Abdominal CT. axial view. soft-tissue window (W 400 / L 40). scan has 15 labeled organs (a whole-scan count: organs this slice does not pass through have no box)
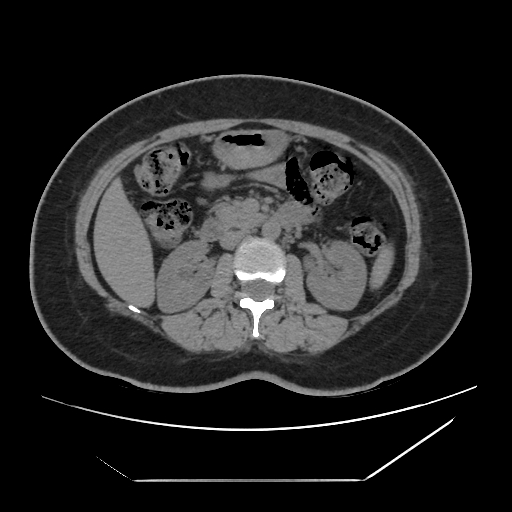 One row per box, in pixels: columns x1 and y1 give the top-left corner, x2 and y2 the bottom-right.
| organ | x1 | y1 | x2 | y2 |
|---|---|---|---|---|
| left kidney | 304 | 241 | 366 | 310 |
| stomach | 212 | 130 | 288 | 168 |
| inferior vena cava | 219 | 229 | 249 | 249 |
| liver | 93 | 178 | 155 | 307 |
| spleen | 369 | 244 | 393 | 289 |
| pancreas | 215 | 202 | 262 | 228 |
| duodenum | 199 | 204 | 303 | 241 |
| right kidney | 156 | 240 | 213 | 312 |
| aorta | 262 | 221 | 280 | 239 |